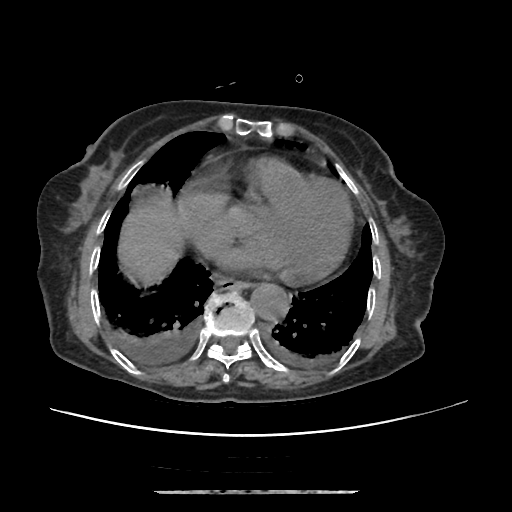 Abdominal CT; axial view; abdomen soft-tissue window; 512x512 px; acquired on SOMATOM Force
{"organs":{"esophagus":[216,279,251,289],"liver":[120,198,183,280],"aorta":[250,284,289,320]}}